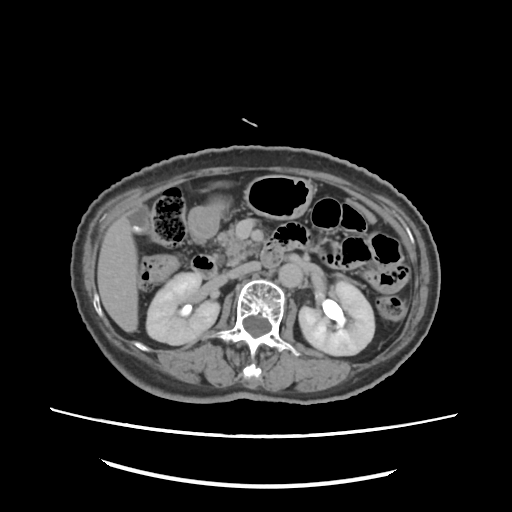

Abdominal CT · axial plane, index 62 · abdomen soft-tissue window · 512x512 px · 15 organs annotated in this scan (that count is for the whole scan; organs this slice misses have no box)
{"organs":{"gall bladder":[126,206,151,234],"liver":[97,184,227,331],"right kidney":[145,270,219,345],"left kidney":[299,280,374,356],"inferior vena cava":[224,262,261,280],"pancreas":[216,227,257,264],"stomach":[188,176,311,242],"aorta":[278,261,302,287],"duodenum":[191,238,282,279]}}